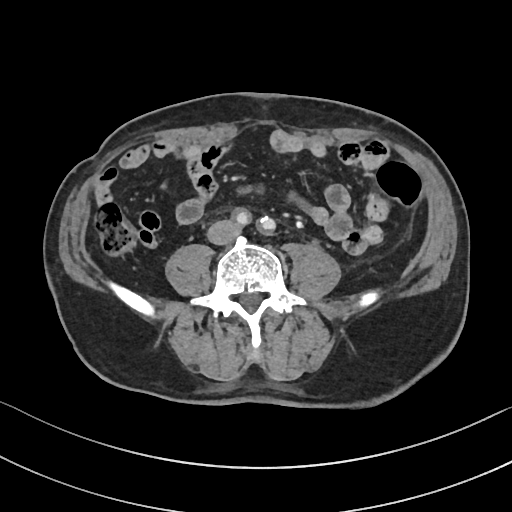 CT abdomen. axial view. W/L 400/40 HU. 512x512 px. acquired on SOMATOM Force
Each box given as x1,y1,x2,y2. 1 labeled organ on this slice — inferior vena cava at x1=208, y1=221, x2=235, y2=244.